CT, abdomen/pelvis; axial view
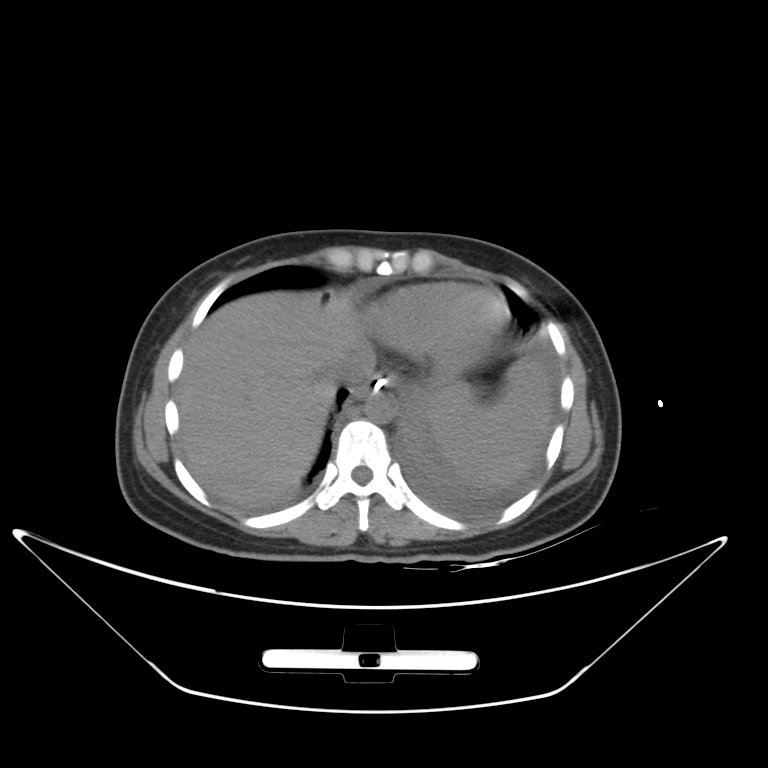

<organs><organ name="inferior vena cava" x1="332" y1="344" x2="376" y2="389"/><organ name="aorta" x1="363" y1="390" x2="396" y2="423"/><organ name="esophagus" x1="353" y1="374" x2="392" y2="400"/><organ name="liver" x1="177" y1="291" x2="512" y2="504"/><organ name="spleen" x1="425" y1="361" x2="553" y2="484"/></organs>